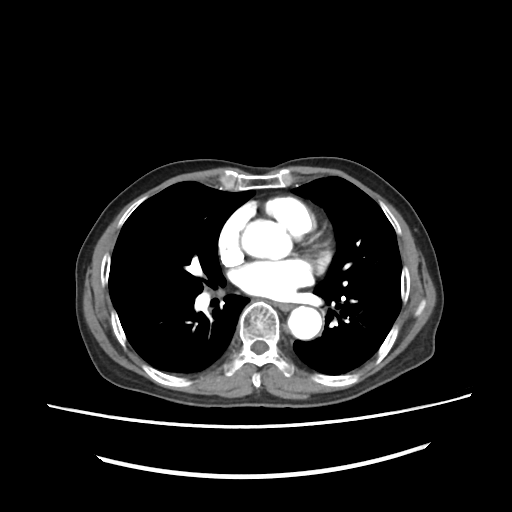
Lower-chest slice from an abdominal CT, just above the liver and spleen · Axial slice 100/132 · soft-tissue window, W/L 400/40 · 512x512 px · 67-year-old male patient
No part of the heart or lungs is labeled in this dataset, so neither has a box here.
Bounding boxes in pixels, one row per box: x1, y1 is the top-left corner and x2, y2 the bottom-right.
| organ | x1 | y1 | x2 | y2 |
|---|---|---|---|---|
| esophagus | 275 | 302 | 294 | 310 |
| aorta | 286 | 306 | 321 | 339 |